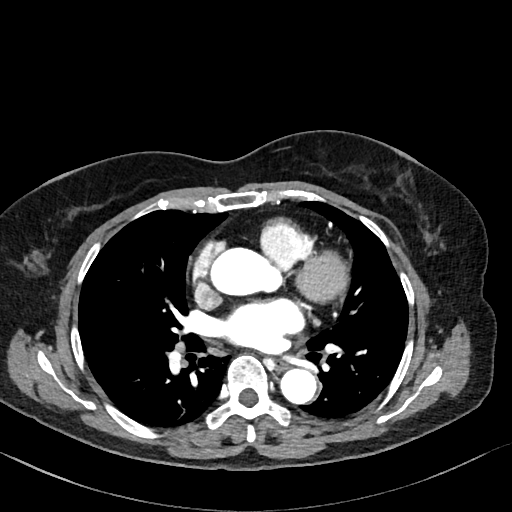
Abdominal CT; this slice is in the lower chest, just above the liver — Axial slice 221/222 — W/L 400/40 HU — acquired on SOMATOM Force
The heart and lungs are never labeled in this dataset, so they have no box on this slice.
Boxes: x1 y1 x2 y2 (pixel coords, space-separated).
esophagus: 274 358 287 371
aorta: 280 368 316 404